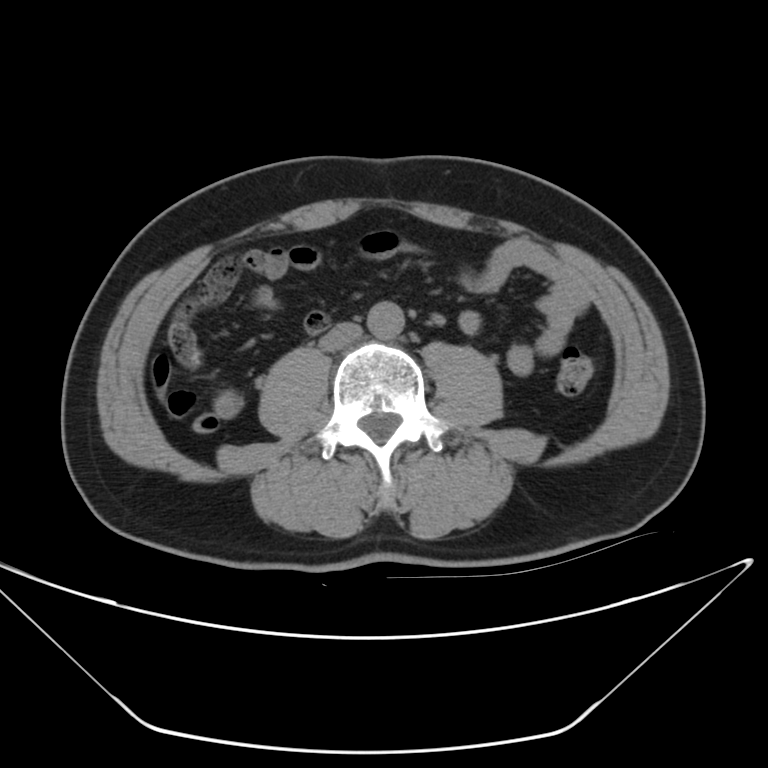 Computed tomography, abdomen · Axial slice 56/112 · 768x768 px
Bounding boxes in pixels, one row per box: x1, y1 is the top-left corner and x2, y2 the bottom-right.
| organ | x1 | y1 | x2 | y2 |
|---|---|---|---|---|
| aorta | 369 | 301 | 405 | 338 |
| inferior vena cava | 320 | 324 | 362 | 351 |